CT abdomen; axial view; soft-tissue window; 512x512 px
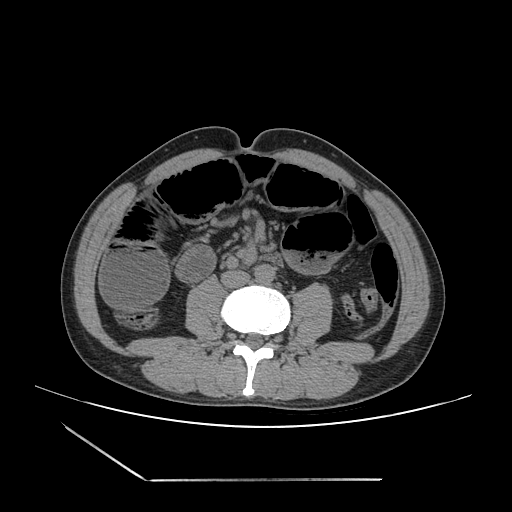

Boxes: x1 y1 x2 y2 (pixel coords, space-separated).
inferior vena cava: 221 270 249 288
aorta: 254 264 274 284